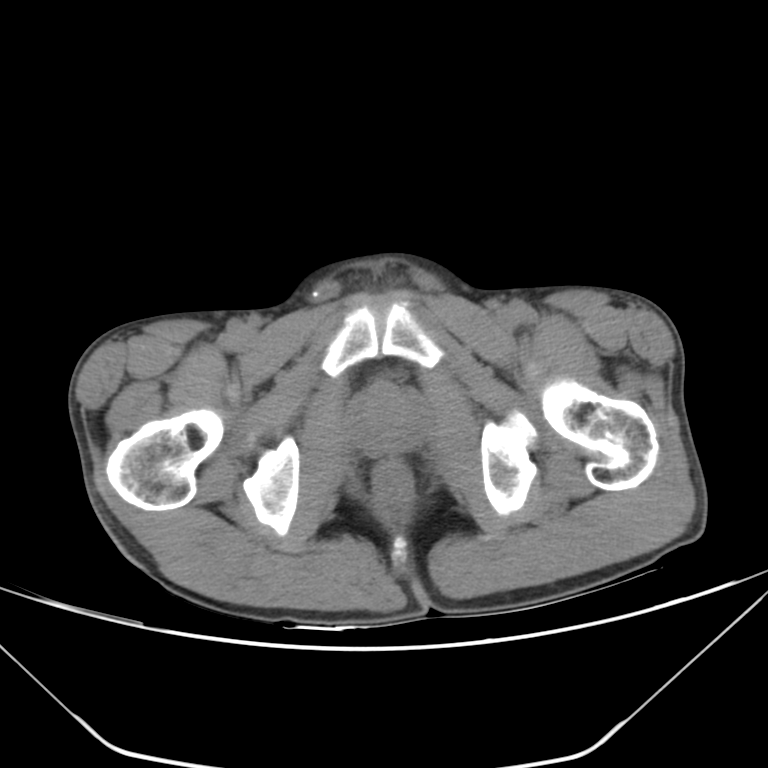

CT, abdomen/pelvis — Axial slice 13/85 — W/L 400/40 HU — acquired on Brilliance16
<organs><organ name="prostate/uterus" x1="354" y1="387" x2="418" y2="452"/></organs>